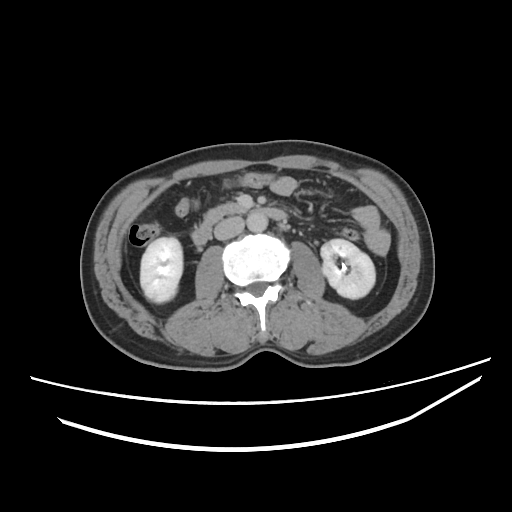

Abdominal CT; axial view; W/L 400/40 HU; acquired on Aquilion ONE; 15 organs annotated in this scan (that count is for the whole scan; organs this slice misses have no box)
Coordinates as <box>x1,y1,x2,y2</box> in pixels. 5 labeled organs on this slice — right kidney at <box>140,238,181,302</box>; left kidney at <box>321,239,375,299</box>; duodenum at <box>191,202,287,245</box>; inferior vena cava at <box>214,216,243,240</box>; aorta at <box>246,212,268,233</box>.